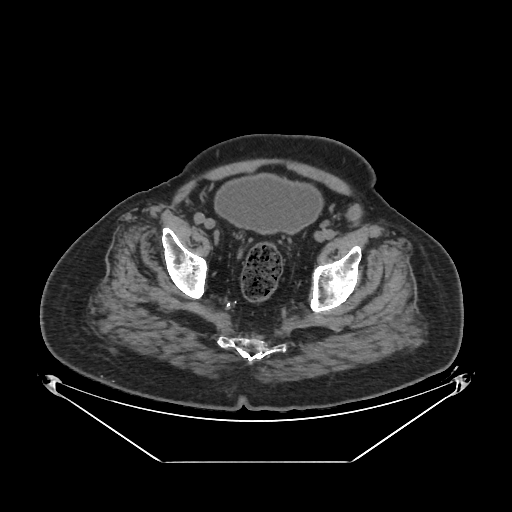
CT abdomen. axial plane, index 63
<organs><organ name="bladder" x1="215" y1="175" x2="321" y2="234"/></organs>